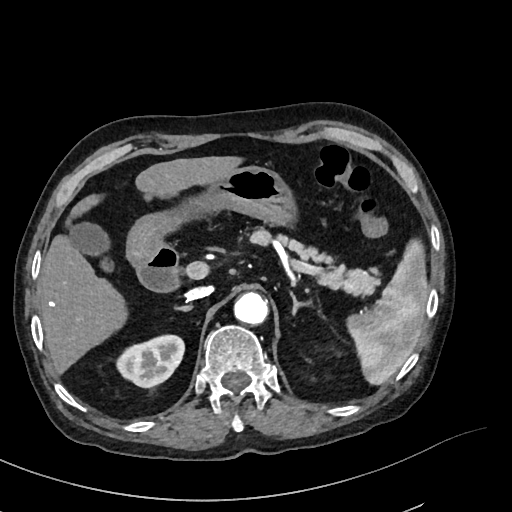

CT, abdomen/pelvis; Axial slice 177/235; soft-tissue window; SOMATOM Force scanner; scan has 15 labeled organs (that count is for the whole scan; organs this slice misses have no box)
Box edges are left/top/right/bottom in pixels.
left adrenal gland: left=290, top=292, right=311, bottom=314
stomach: left=126, top=165, right=296, bottom=266
aorta: left=233, top=292, right=268, bottom=324
gall bladder: left=69, top=222, right=110, bottom=255
liver: left=37, top=156, right=242, bottom=373
right adrenal gland: left=175, top=304, right=192, bottom=311
inferior vena cava: left=185, top=286, right=212, bottom=300
spleen: left=346, top=238, right=427, bottom=384
right kidney: left=116, top=335, right=184, bottom=387
duodenum: left=136, top=244, right=180, bottom=292
pancreas: left=250, top=227, right=379, bottom=295